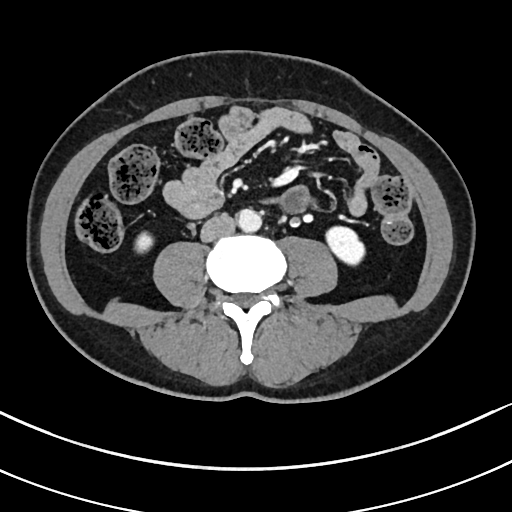 Computed tomography, abdomen — Axial slice 105/206 — acquired on SOMATOM Force
Bounding boxes as [x1, y1, x2, y2] in pixel coordinates.
right kidney: [135, 232, 153, 253]
left kidney: [326, 226, 364, 264]
aorta: [237, 209, 261, 231]
inferior vena cava: [201, 214, 235, 242]